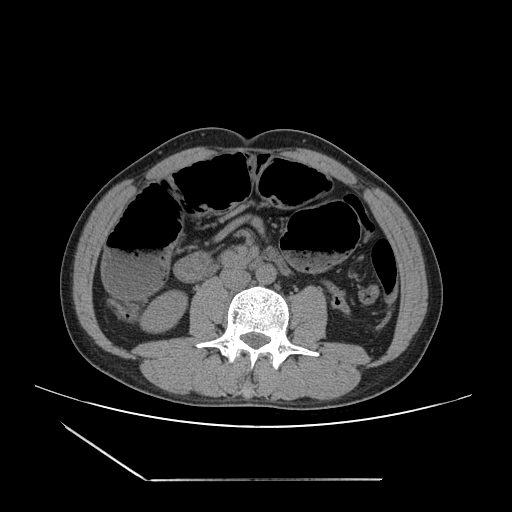 CT, abdomen/pelvis. axial view. SOMATOM Force scanner
Organ boxes in pixel coordinates; each row gives the top-left (x1, y1) and bottom-right (x2, y2) corners.
| organ | x1 | y1 | x2 | y2 |
|---|---|---|---|---|
| inferior vena cava | 220 | 269 | 250 | 289 |
| right kidney | 141 | 292 | 187 | 333 |
| aorta | 255 | 264 | 275 | 284 |